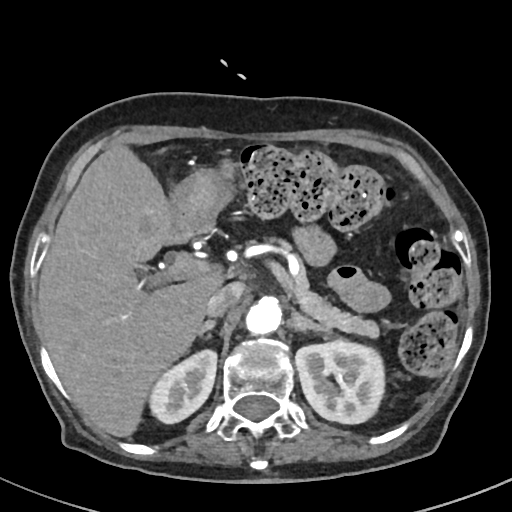
CT abdomen · Axial slice 153/279
Boxes: x1:y1:x2:y2 in pixels.
left kidney: 292:340:384:423
inferior vena cava: 205:282:243:316
aorta: 244:299:280:336
right adrenal gland: 198:318:216:336
liver: 38:144:227:438
right kidney: 148:351:216:423
pancreas: 275:240:378:337
left adrenal gland: 291:312:332:333
stomach: 164:167:236:246